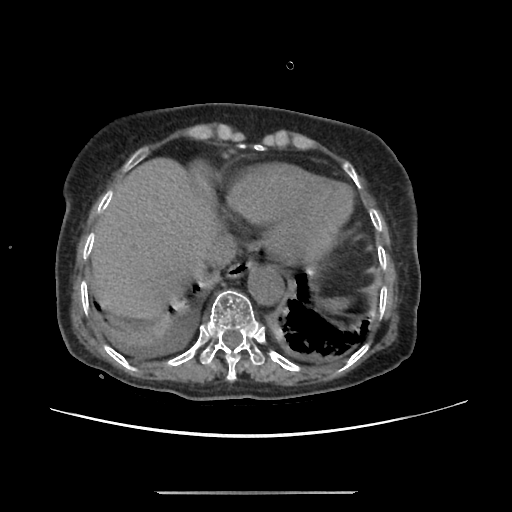

Abdominal CT · axial view · SOMATOM Force scanner
Each box given as x1,y1,x2,y2.
spleen: x1=318, y1=296, x2=349, y2=309
esophagus: x1=227, y1=258, x2=253, y2=277
liver: x1=89, y1=157, x2=223, y2=321
aorta: x1=247, y1=264, x2=283, y2=303
inferior vena cava: x1=205, y1=234, x2=236, y2=267